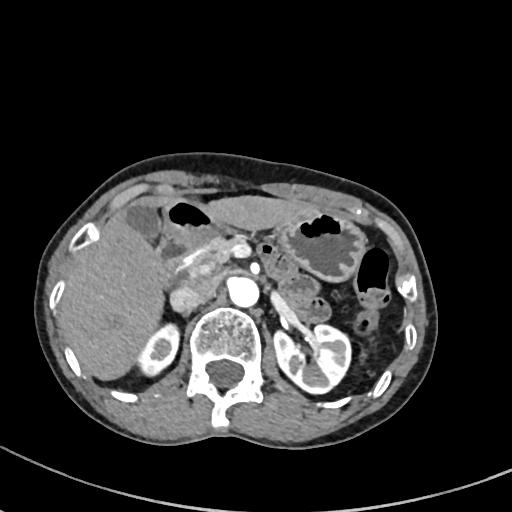
Abdominal CT — Axial slice 157/207 — soft-tissue window
Box edges are left/top/right/bottom in pixels.
aorta: left=228, top=277, right=258, bottom=306
pancreas: left=183, top=237, right=238, bottom=280
stomach: left=165, top=199, right=365, bottom=281
inferior vena cava: left=170, top=277, right=216, bottom=311
left kidney: left=274, top=323, right=352, bottom=393
liver: left=62, top=195, right=314, bottom=378
gall bladder: left=127, top=202, right=162, bottom=239
duodenum: left=157, top=231, right=193, bottom=290
right kidney: left=137, top=324, right=180, bottom=375